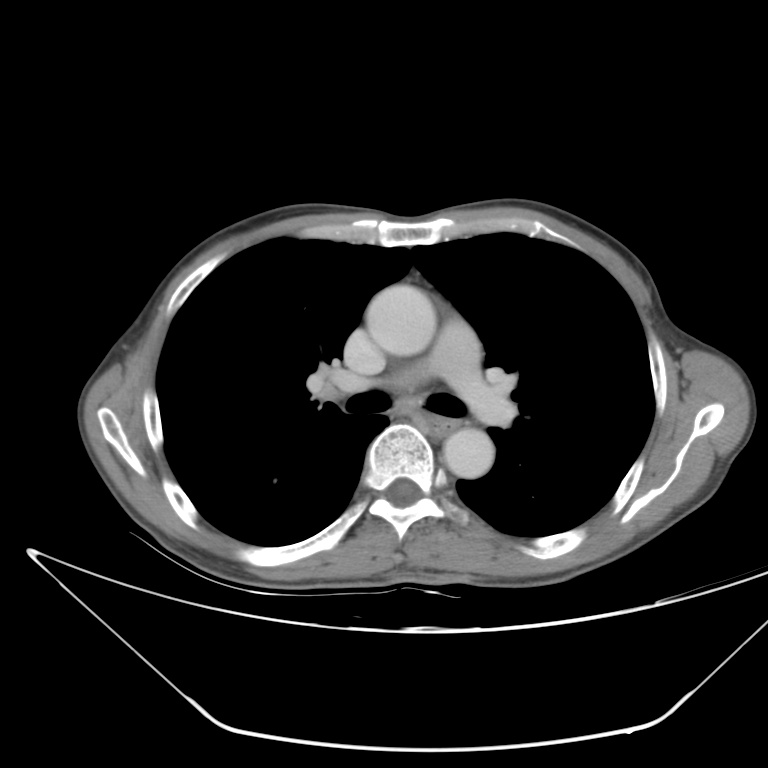 CT of the abdomen extending into the chest, slice through the chest — Axial slice 79/104 — 62-year-old male patient — scan has 13 labeled organs (counted over the whole 3D scan, not this slice; an organ is boxed only where this slice passes through it)
On a slice this high in the chest, this dataset labels only the esophagus and the aorta, and each is boxed only where it is labeled; the heart, lungs and other chest structures are not labeled.
<organs><organ name="esophagus" x1="425" y1="414" x2="460" y2="437"/><organ name="aorta" x1="366" y1="282" x2="436" y2="352"/><organ name="aorta" x1="444" y1="429" x2="494" y2="480"/></organs>